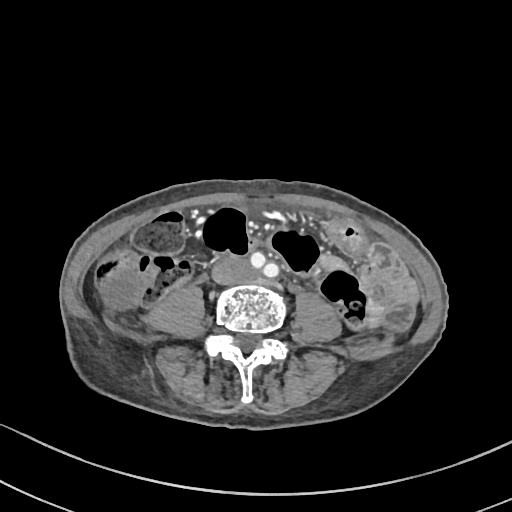

Abdominal CT — axial view — scan has 15 labeled organs (a whole-scan count: organs this slice does not pass through have no box)
Bounding boxes as [x1, y1, x2, y2] in pixel coordinates. 2 labeled organs on this slice — gall bladder at [101, 269, 142, 311]; inferior vena cava at [212, 258, 248, 283].